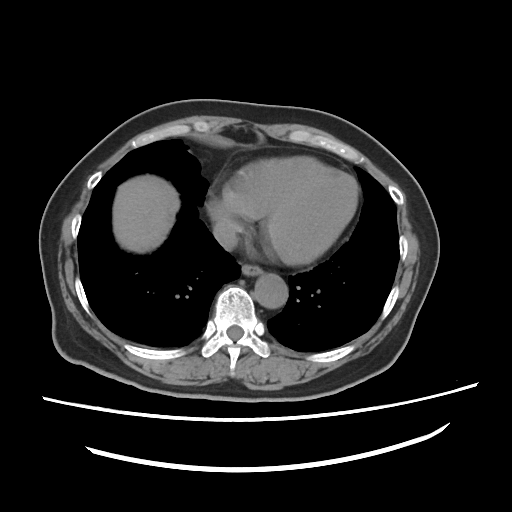 CT abdomen; axial view
<organs><organ name="esophagus" x1="242" y1="264" x2="262" y2="275"/><organ name="liver" x1="113" y1="175" x2="179" y2="252"/><organ name="aorta" x1="254" y1="273" x2="288" y2="308"/><organ name="inferior vena cava" x1="213" y1="219" x2="237" y2="250"/></organs>